CT, abdomen/pelvis; Axial slice 53/93; abdomen soft-tissue window
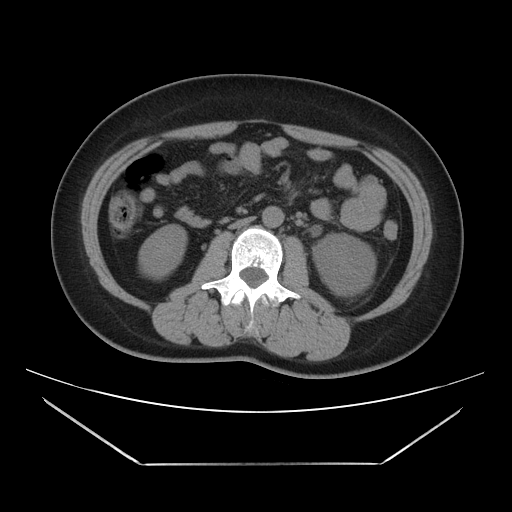 Box edges are left/top/right/bottom in pixels.
aorta: left=262, top=206, right=284, bottom=227
right kidney: left=138, top=224, right=186, bottom=279
inferior vena cava: left=229, top=217, right=254, bottom=229
left kidney: left=313, top=233, right=375, bottom=295